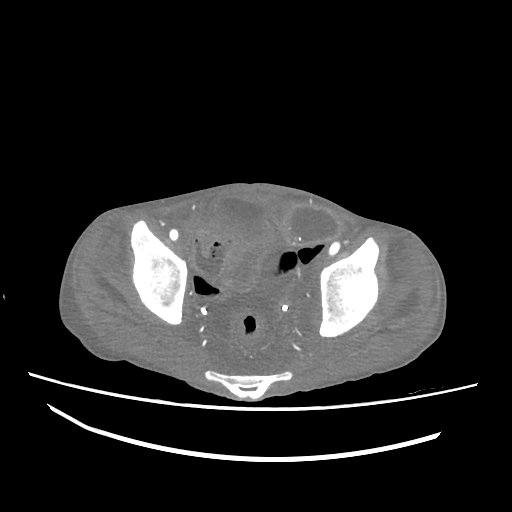

CT, abdomen/pelvis — axial view — abdomen soft-tissue window — 512x512 px — Aquilion ONE scanner — scan has 15 labeled organs (a whole-scan count: organs this slice does not pass through have no box)
Coordinates as <box>x1,y1,x2,y2</box> in pixels.
bladder: <box>206,195,268,239</box>